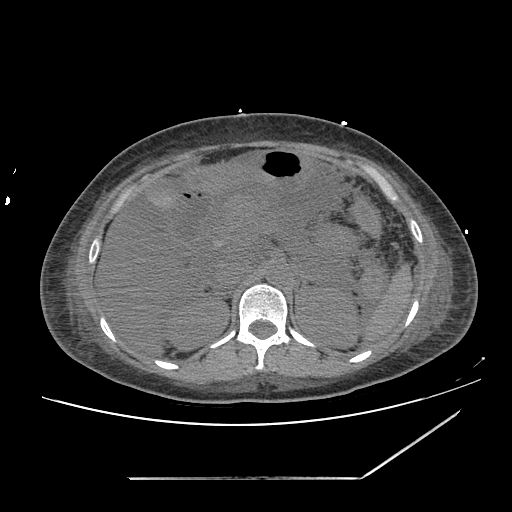
CT abdomen · axial view · 15 organs annotated in this scan (counted over the whole 3D scan, not this slice; an organ is boxed only where this slice passes through it)
<organs><organ name="spleen" x1="360" y1="262" x2="414" y2="343"/><organ name="right kidney" x1="168" y1="298" x2="228" y2="349"/><organ name="left kidney" x1="295" y1="287" x2="357" y2="347"/><organ name="gall bladder" x1="144" y1="180" x2="178" y2="215"/><organ name="liver" x1="96" y1="204" x2="186" y2="356"/><organ name="stomach" x1="186" y1="148" x2="311" y2="193"/><organ name="aorta" x1="266" y1="261" x2="291" y2="286"/><organ name="inferior vena cava" x1="216" y1="260" x2="248" y2="291"/><organ name="pancreas" x1="217" y1="195" x2="264" y2="243"/><organ name="right adrenal gland" x1="226" y1="297" x2="227" y2="298"/><organ name="left adrenal gland" x1="297" y1="273" x2="318" y2="288"/><organ name="duodenum" x1="167" y1="173" x2="210" y2="246"/></organs>